Computed tomography, abdomen · axial view
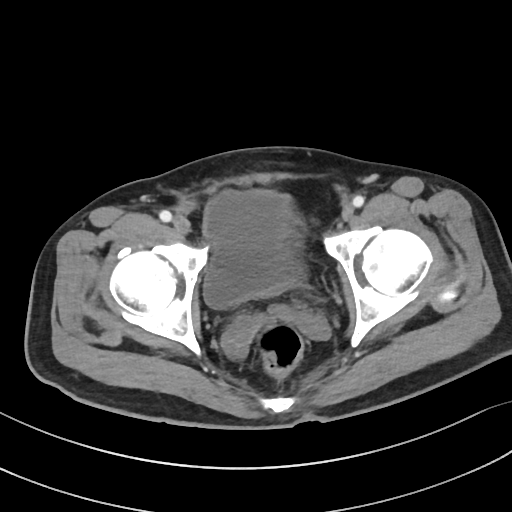
Boxes are (x1, y1, x2, y2) in pixels.
bladder: (203, 190, 304, 308)